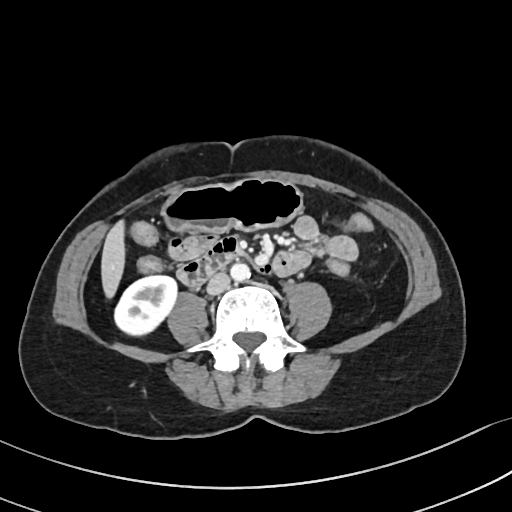
Computed tomography, abdomen · axial view · 512x512 px · scan has 15 labeled organs (a whole-scan count: organs this slice does not pass through have no box)
Organ boxes in pixel coordinates; each row gives the top-left (x1, y1) and bottom-right (x2, y2) corners.
| organ | x1 | y1 | x2 | y2 |
|---|---|---|---|---|
| inferior vena cava | 206 | 273 | 229 | 295 |
| stomach | 163 | 179 | 302 | 233 |
| liver | 100 | 220 | 125 | 298 |
| aorta | 230 | 263 | 249 | 282 |
| duodenum | 178 | 234 | 242 | 287 |
| right kidney | 113 | 275 | 178 | 335 |